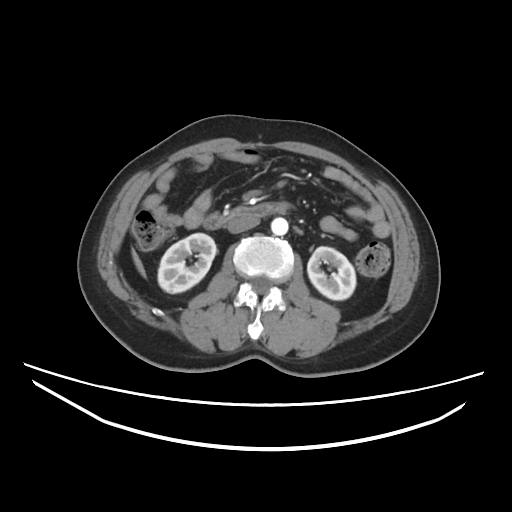
CT abdomen; axial plane, index 55; 15 organs annotated in this scan (a whole-scan count: organs this slice does not pass through have no box)
<organs><organ name="right kidney" x1="157" y1="233" x2="216" y2="293"/><organ name="inferior vena cava" x1="227" y1="216" x2="259" y2="233"/><organ name="aorta" x1="271" y1="217" x2="288" y2="235"/><organ name="liver" x1="132" y1="249" x2="144" y2="275"/><organ name="duodenum" x1="203" y1="203" x2="287" y2="229"/><organ name="left kidney" x1="307" y1="246" x2="355" y2="299"/></organs>